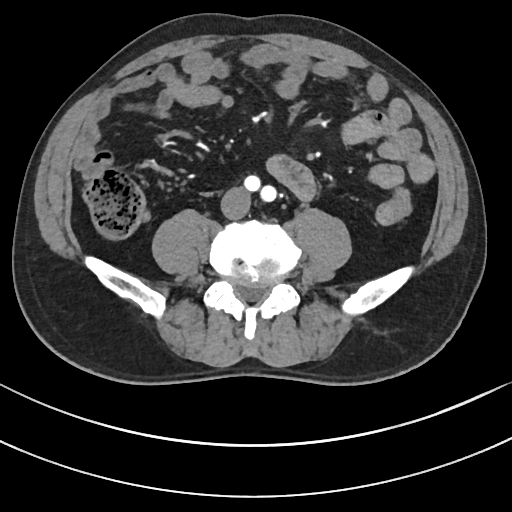 Abdominal CT. axial view. 512x512 px. 15 organs annotated in this scan (a whole-scan count: organs this slice does not pass through have no box)
Each box given as x1,y1,x2,y2.
Organ bounding boxes:
- inferior vena cava: x1=221, y1=187, x2=250, y2=219